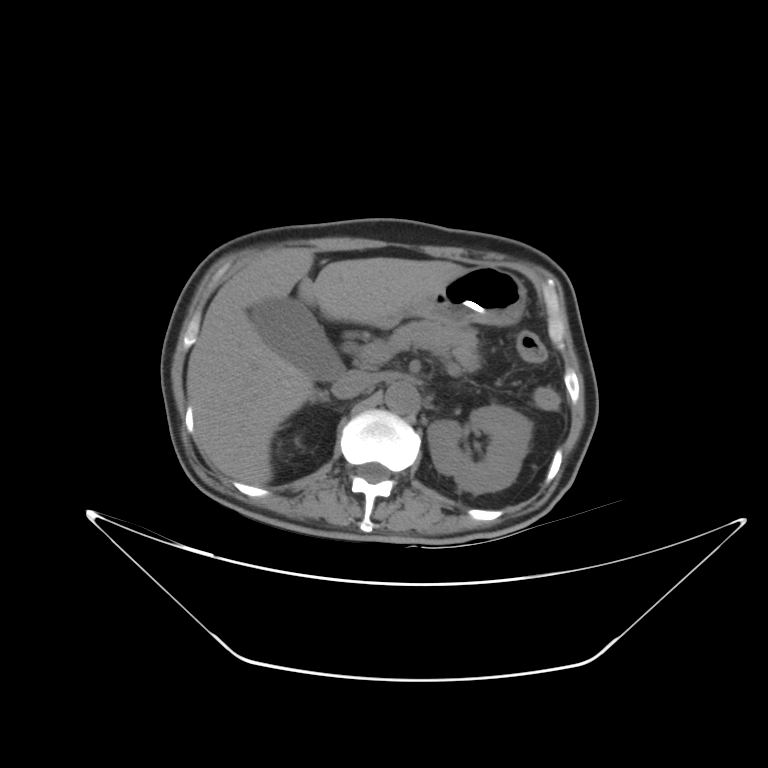 CT abdomen — Axial slice 71/101 — abdomen soft-tissue window — 768x768 px — 55-year-old male patient — scan has 15 labeled organs (that count is for the whole scan; organs this slice misses have no box)
Organ boxes in pixel coordinates; each row gives the top-left (x1, y1) and bottom-right (x2, y2) corners.
| organ | x1 | y1 | x2 | y2 |
|---|---|---|---|---|
| right adrenal gland | 308 | 391 | 329 | 401 |
| gall bladder | 250 | 298 | 344 | 380 |
| liver | 186 | 248 | 466 | 485 |
| left kidney | 427 | 405 | 532 | 493 |
| pancreas | 387 | 320 | 480 | 372 |
| aorta | 385 | 381 | 419 | 413 |
| stomach | 381 | 265 | 526 | 326 |
| inferior vena cava | 331 | 369 | 374 | 398 |